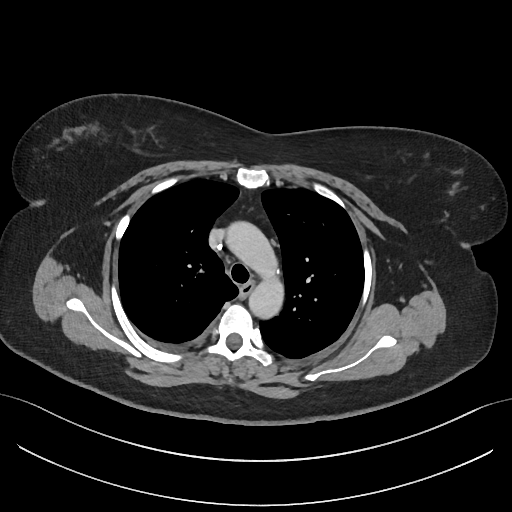
Chest-level CT slice, above the liver and spleen; axial plane, index 262; W/L 400/40 HU; 15 organs annotated in this scan (that count is for the whole scan; organs this slice misses have no box)
At this level of the chest no structure but the esophagus and the aorta has a label in this dataset, and those two are boxed only where they are labeled.
{"organs":{"esophagus":[241,283,251,295],"aorta":[227,223,284,317]}}